Computed tomography, abdomen · axial view · abdomen soft-tissue window · acquired on SOMATOM Force
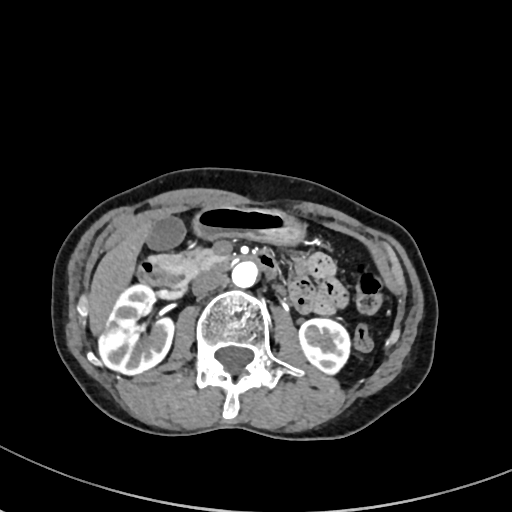

Each box given as x1,y1,x2,y2.
right kidney: x1=98, y1=284, x2=174, y2=374
left kidney: x1=299, y1=318, x2=349, y2=373
gall bladder: x1=147, y1=216, x2=184, y2=249
liver: x1=88, y1=221, x2=152, y2=333
stomach: x1=192, y1=206, x2=305, y2=244
aorta: x1=232, y1=261, x2=258, y2=287
inferior vena cava: x1=192, y1=272, x2=227, y2=295
pancreas: x1=160, y1=248, x2=219, y2=287
duodenum: x1=138, y1=252, x2=276, y2=288